Chest-level slice from an abdominal CT that extends up into the chest. axial plane, index 257
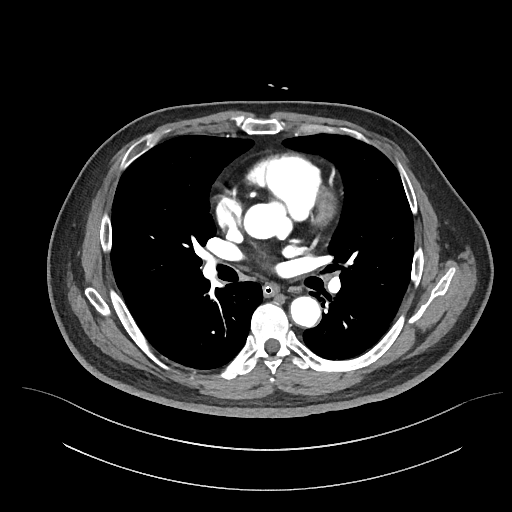 At this level of the chest no structure but the esophagus and the aorta has a label in this dataset, and those two are boxed only where they are labeled.
Organ boxes in pixel coordinates; each row gives the top-left (x1, y1) and bottom-right (x2, y2) corners.
| organ | x1 | y1 | x2 | y2 |
|---|---|---|---|---|
| esophagus | 263 | 284 | 278 | 296 |
| aorta | 242 | 202 | 285 | 240 |
| aorta | 290 | 296 | 320 | 326 |